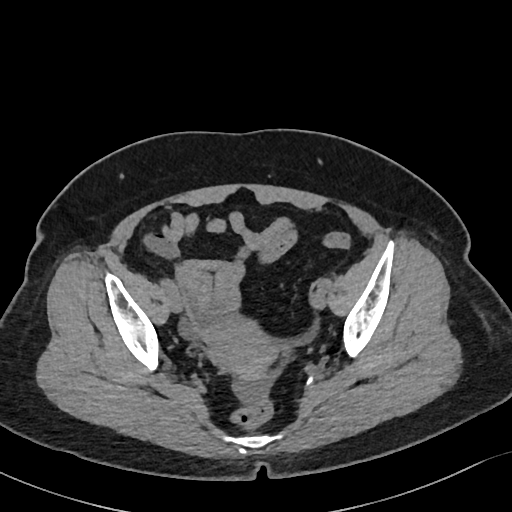

Computed tomography, abdomen — axial view — 512x512 px
{"organs":{"prostate/uterus":[200,315,275,377]}}